Magnetic resonance imaging, abdomen. axial view. 1st–99th percentile window. 288x232 px. 13 organs annotated in this scan (counted over the whole 3D scan, not this slice; an organ is boxed only where this slice passes through it)
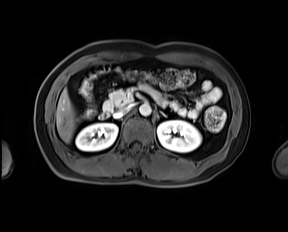
Each box given as x1,y1,x2,y2.
right kidney: x1=75, y1=123, x2=117, y2=151
left kidney: x1=157, y1=120, x2=201, y2=152
liver: x1=56, y1=89, x2=75, y2=142
aorta: x1=139, y1=104, x2=151, y2=116
inferior vena cava: x1=113, y1=106, x2=131, y2=118
pancreas: x1=103, y1=84, x2=160, y2=112
left adrenal gland: x1=159, y1=111, x2=166, y2=116
duodenum: x1=99, y1=112, x2=109, y2=119